Abdominal CT · axial plane, index 47 · soft-tissue window (W 400 / L 40) · 512x512 px · 73-year-old female patient
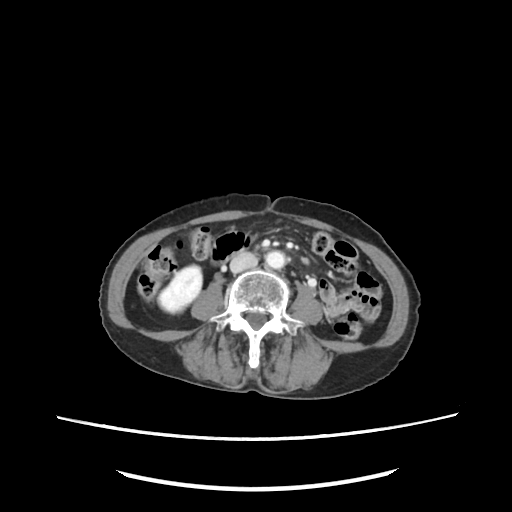 {"organs":{"right kidney":[159,265,202,312],"aorta":[266,250,284,268],"inferior vena cava":[230,255,257,270],"duodenum":[211,231,250,264]}}